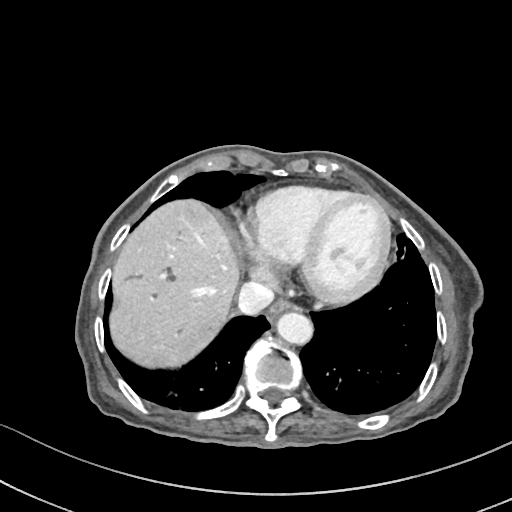
CT abdomen · axial view · 512x512 px
Organ boxes in pixel coordinates; each row gives the top-left (x1, y1) and bottom-right (x2, y2) corners.
| organ | x1 | y1 | x2 | y2 |
|---|---|---|---|---|
| esophagus | 267 | 301 | 294 | 322 |
| liver | 110 | 202 | 236 | 366 |
| aorta | 278 | 312 | 314 | 345 |
| inferior vena cava | 237 | 282 | 274 | 314 |